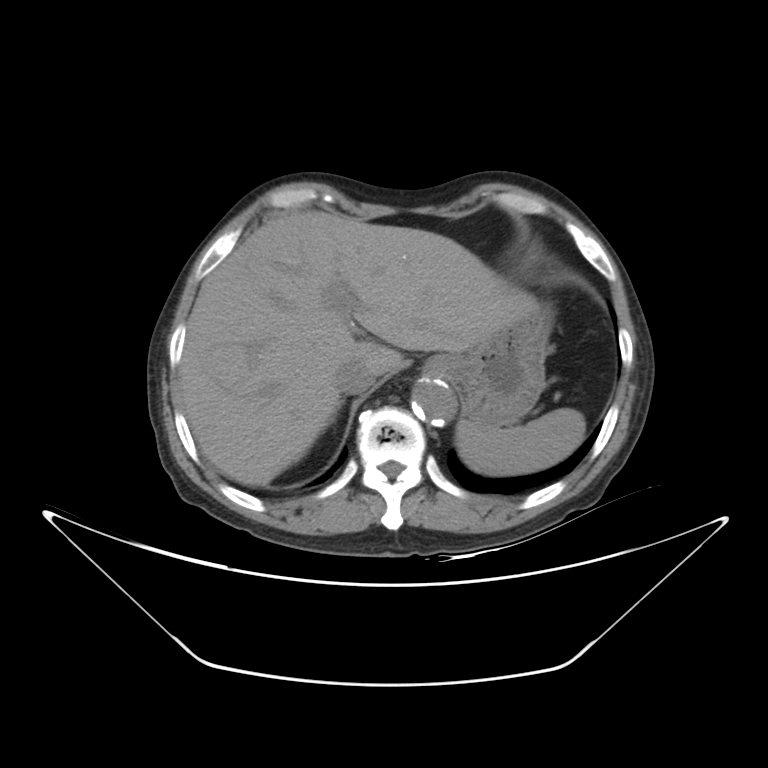 Computed tomography, abdomen — axial view — W/L 400/40 HU
Bounding boxes as [x1, y1, x2, y2] in pixel coordinates.
spleen: [455, 408, 584, 475]
liver: [179, 211, 529, 485]
stomach: [427, 297, 553, 427]
aorta: [412, 379, 456, 424]
inferior vena cava: [333, 356, 376, 394]